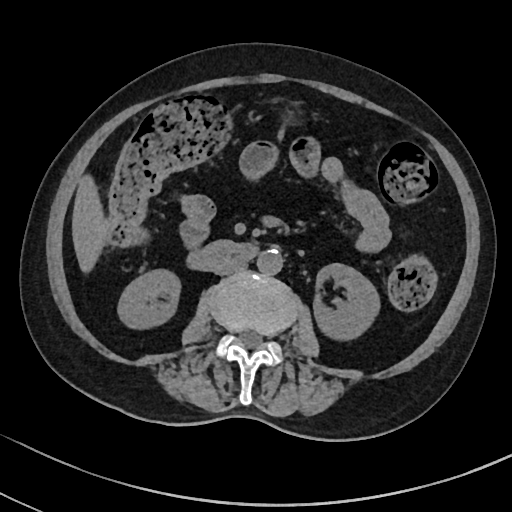

Abdominal CT; axial plane, index 123; 512x512 px; 15 organs annotated in this scan (a whole-scan count: organs this slice does not pass through have no box)
Boxes: x1:y1:x2:y2 in pixels.
liver: 72:175:109:272
right kidney: 118:269:180:328
aorta: 257:249:282:275
inferior vena cava: 215:262:245:275
left kidney: 314:263:379:340
duodenum: 187:240:258:270
stomach: 281:109:299:122